Computed tomography, abdomen · axial view
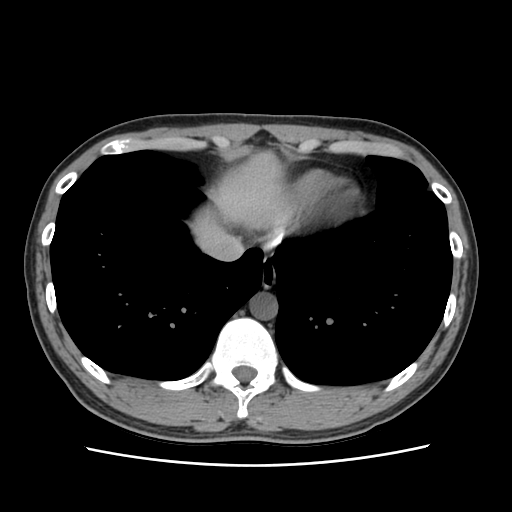 Boxes: x1:y1:x2:y2 in pixels.
inferior vena cava: 204:234:244:261
aorta: 250:293:278:320
liver: 193:153:292:237
esophagus: 261:264:276:289